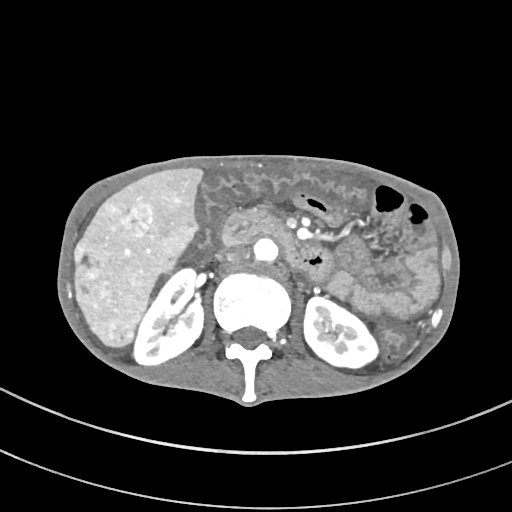 CT, abdomen/pelvis; axial plane, index 130; acquired on SOMATOM Force
Boxes: x1 y1 x2 y2 (pixel coords, space-separated). Labeled organs on this slice: inferior vena cava at 225 247 249 263, aorta at 254 236 278 263, right kidney at 132 268 204 365, left kidney at 304 297 379 369, duodenum at 221 210 334 282, liver at 73 167 203 349.